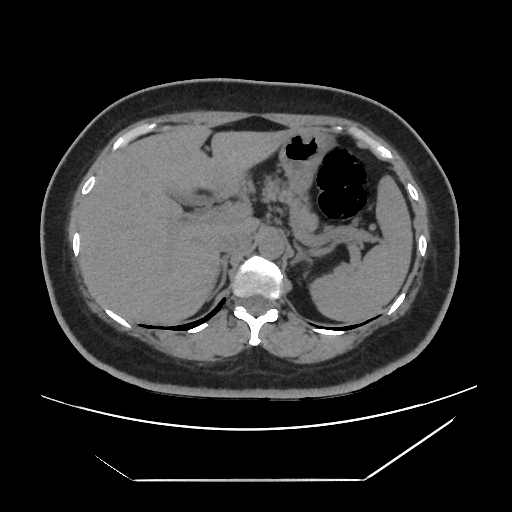

Abdominal CT; axial view; soft-tissue window; 512x512 px
{"organs":{"liver":[79,125,295,324],"gall bladder":[179,197,203,203],"inferior vena cava":[217,231,251,253],"right adrenal gland":[212,256,228,294],"spleen":[308,175,412,322],"left adrenal gland":[291,246,306,265],"pancreas":[263,180,317,230],"stomach":[279,128,334,200],"aorta":[258,232,284,258]}}